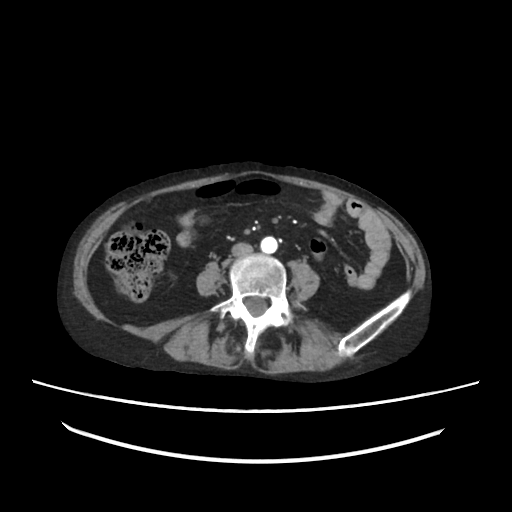 CT, abdomen/pelvis; axial view; soft-tissue window (W 400 / L 40); 512x512 px; acquired on Aquilion ONE
{"organs":{"inferior vena cava":[231,244,252,257],"aorta":[262,236,277,253]}}